Abdominal MRI · coronal acquisition · Prisma scanner
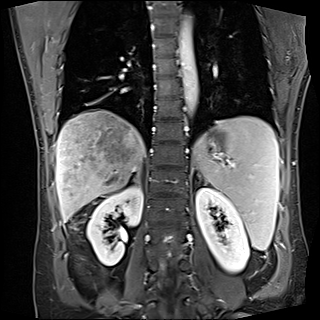
{"organs":{"liver":[55,109,145,221],"spleen":[194,116,279,250],"right adrenal gland":[131,169,140,184],"left adrenal gland":[198,180,200,183],"aorta":[179,15,198,115],"right kidney":[87,185,142,265],"left kidney":[195,188,249,272]}}